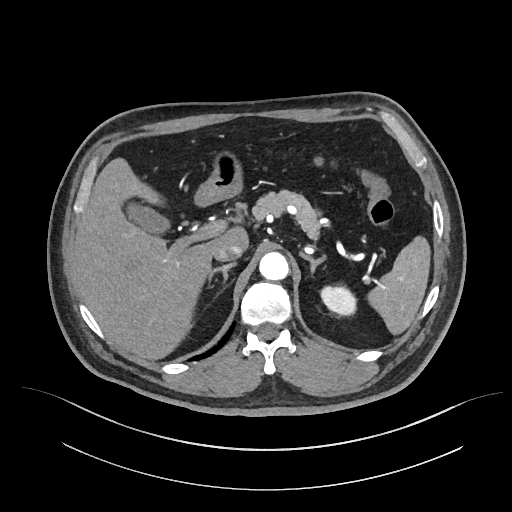 Computed tomography, abdomen. axial view. abdomen soft-tissue window. 512x512 px
Box edges are left/top/right/bottom in pixels.
spleen: left=367, top=236, right=430, bottom=334
left kidney: left=320, top=286, right=356, bottom=315
gall bladder: left=125, top=201, right=170, bottom=234
liver: left=73, top=157, right=248, bottom=359
stomach: left=195, top=152, right=243, bottom=205
aorta: left=259, top=252, right=288, bottom=280
inferior vena cava: left=214, top=245, right=242, bottom=261
pancreas: left=252, top=190, right=321, bottom=237
right adrenal gland: left=208, top=262, right=236, bottom=288
left adrenal gland: left=300, top=253, right=324, bottom=273